MRI, abdomen; axial view; 1st–99th percentile window; 576x468 px; scan has 13 labeled organs (that count is for the whole scan; organs this slice misses have no box)
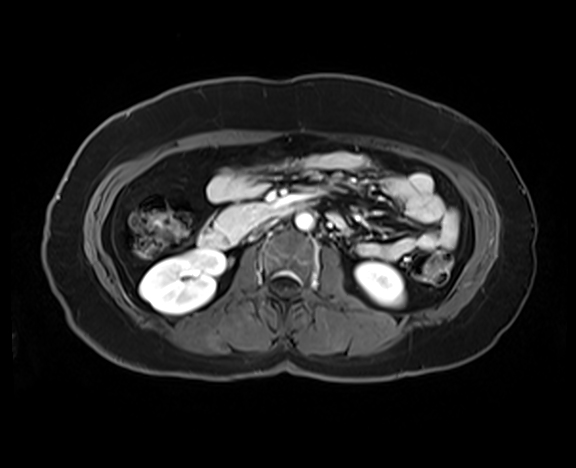 Organ boxes in pixel coordinates; each row gives the top-left (x1, y1) and bottom-right (x2, y2) corners.
| organ | x1 | y1 | x2 | y2 |
|---|---|---|---|---|
| right kidney | 139 | 249 | 225 | 313 |
| left kidney | 355 | 262 | 404 | 305 |
| aorta | 295 | 213 | 313 | 230 |
| inferior vena cava | 255 | 221 | 275 | 232 |
| pancreas | 215 | 203 | 272 | 233 |
| duodenum | 198 | 202 | 309 | 248 |